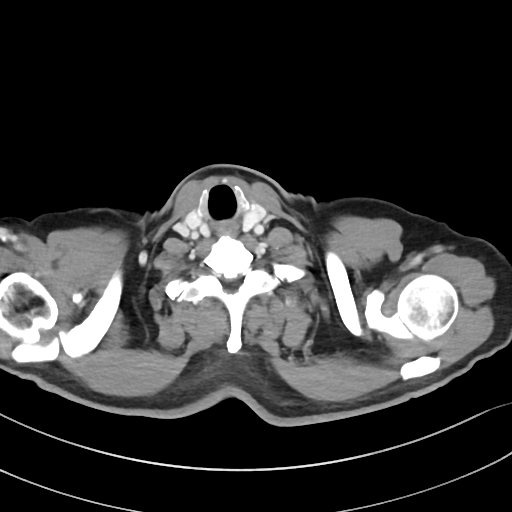

Abdominal CT reaching into the chest; this slice is in the chest; axial view; 512x512 px; 15 organs annotated in this scan (that count is for the whole scan; organs this slice misses have no box)
At this level of the chest no structure but the esophagus and the aorta has a label in this dataset, and those two are boxed only where they are labeled.
{"organs":{"esophagus":[218,221,235,235]}}